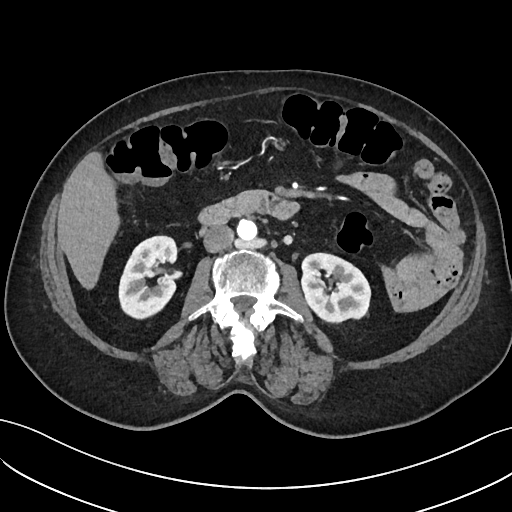

Computed tomography, abdomen; axial view; scan has 15 labeled organs (counted over the whole 3D scan, not this slice; an organ is boxed only where this slice passes through it)
Coordinates as <box>x1,y1,x2,y2</box> in pixels. The annotated organs in this slice are: right kidney at <box>119,236,177,318</box>, left kidney at <box>301,253,369,320</box>, liver at <box>57,152,119,287</box>, aorta at <box>236,219,256,240</box>, inferior vena cava at <box>203,225,233,252</box>, pancreas at <box>221,190,267,216</box>, duodenum at <box>198,190,297,225</box>.